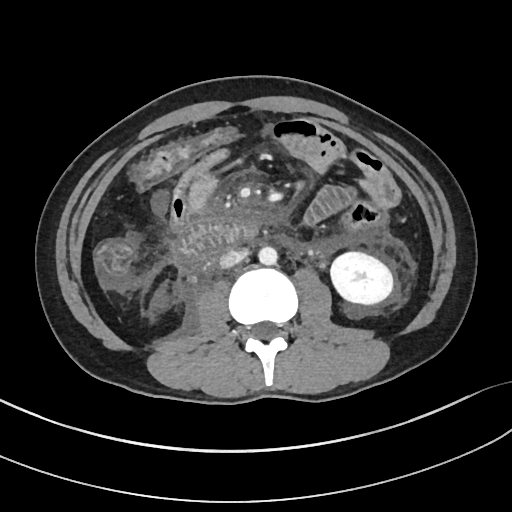 Computed tomography, abdomen · axial view · 512x512 px
Each box given as x1,y1,x2,y2.
Organ bounding boxes:
- left kidney: x1=331, y1=252, x2=392, y2=303
- aorta: x1=258, y1=246, x2=277, y2=265
- inferior vena cava: x1=219, y1=249, x2=247, y2=267
- duodenum: x1=174, y1=218, x2=257, y2=266